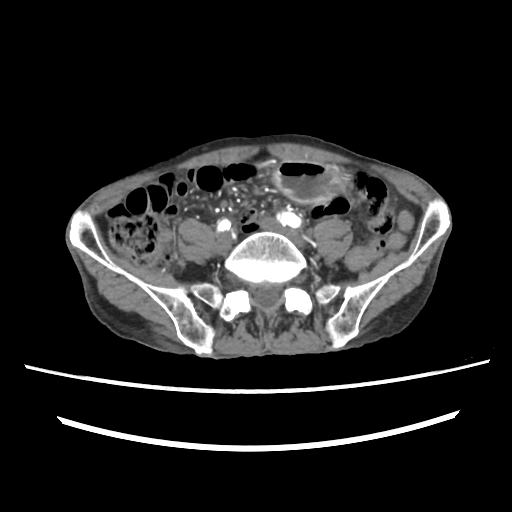

Computed tomography, abdomen · axial view · soft-tissue window · 81-year-old male patient
<organs><organ name="stomach" x1="273" y1="161" x2="339" y2="202"/></organs>